Computed tomography, abdomen. axial view
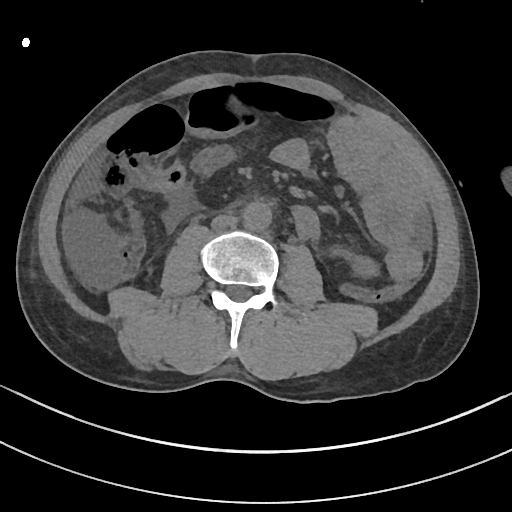 <organs><organ name="aorta" x1="243" y1="202" x2="271" y2="229"/><organ name="inferior vena cava" x1="211" y1="214" x2="237" y2="229"/></organs>